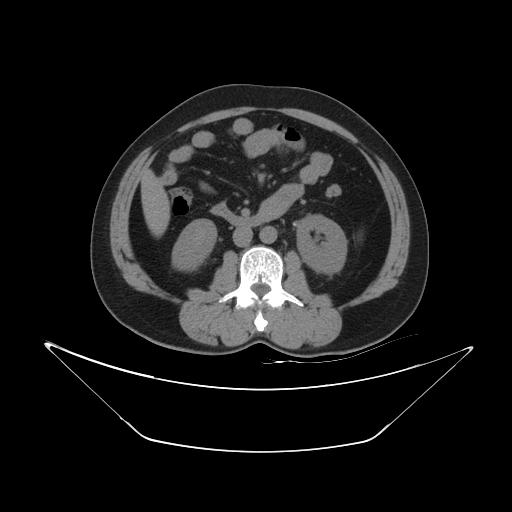 CT, abdomen/pelvis; axial view; 512x512 px; 41-year-old male patient
One row per box, in pixels: columns x1 and y1 give the top-left corner, x2 and y2 the bottom-right.
| organ | x1 | y1 | x2 | y2 |
|---|---|---|---|---|
| aorta | 260 | 226 | 276 | 243 |
| left kidney | 297 | 215 | 346 | 273 |
| liver | 141 | 168 | 169 | 237 |
| right kidney | 172 | 219 | 216 | 271 |
| inferior vena cava | 232 | 227 | 252 | 246 |
| duodenum | 211 | 203 | 265 | 226 |